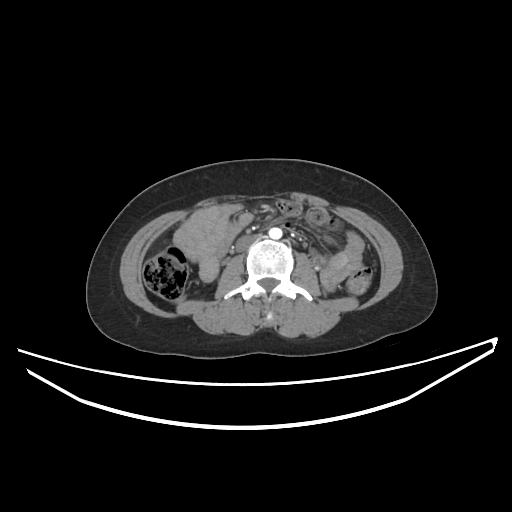 CT, abdomen/pelvis · axial view · 512x512 px · 37-year-old female patient · Aquilion ONE scanner
{"organs":{"aorta":[269,227,282,239],"inferior vena cava":[236,235,258,251]}}